Chest-level CT slice, above the liver and spleen · axial view · scan has 15 labeled organs (counted over the whole 3D scan, not this slice; an organ is boxed only where this slice passes through it)
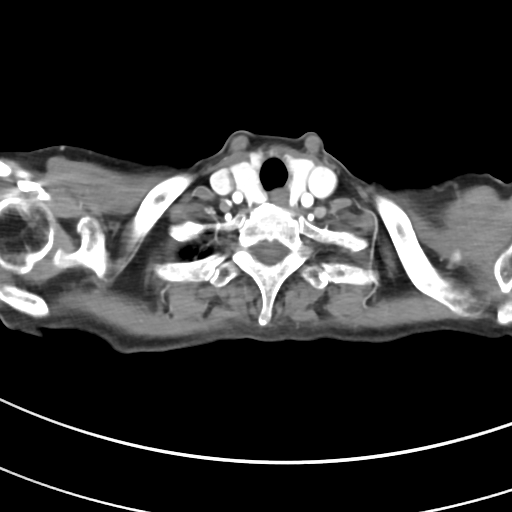
On a slice this high in the chest, this dataset labels only the esophagus and the aorta, and each is boxed only where it is labeled; the heart, lungs and other chest structures are not labeled. Coordinates as <box>x1,y1,x2,y2</box> in pixels. 1 labeled organ on this slice — esophagus at <box>270,190,287,205</box>.